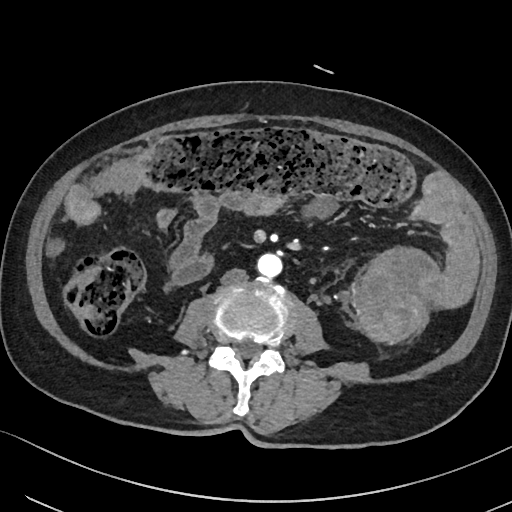

CT abdomen — axial view
<organs><organ name="aorta" x1="258" y1="253" x2="283" y2="278"/><organ name="inferior vena cava" x1="220" y1="268" x2="246" y2="284"/></organs>